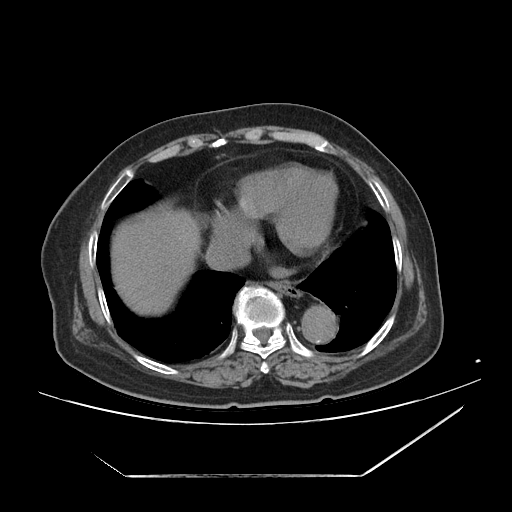

CT abdomen; axial view; 512x512 px; acquired on SOMATOM Force
Box edges are left/top/right/bottom in pixels. Labeled organs on this slice: esophagus at left=273, top=282, right=301, bottom=298, liver at left=109, top=211, right=196, bottom=314, aorta at left=300, top=303, right=336, bottom=342, inferior vena cava at left=204, top=238, right=246, bottom=269.